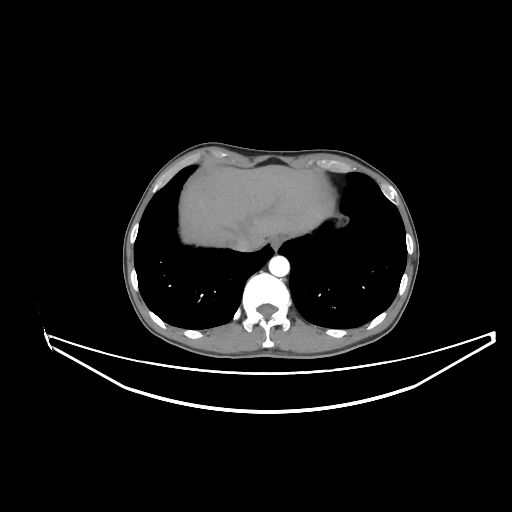
CT, abdomen/pelvis; axial view; 52-year-old male patient; acquired on Aquilion ONE
Boxes: x1:y1:x2:y2 in pixels. The annotated organs in this slice are: esophagus at 271:235:284:249, liver at 179:165:327:247, aorta at 269:256:289:276, inferior vena cava at 230:234:259:251.